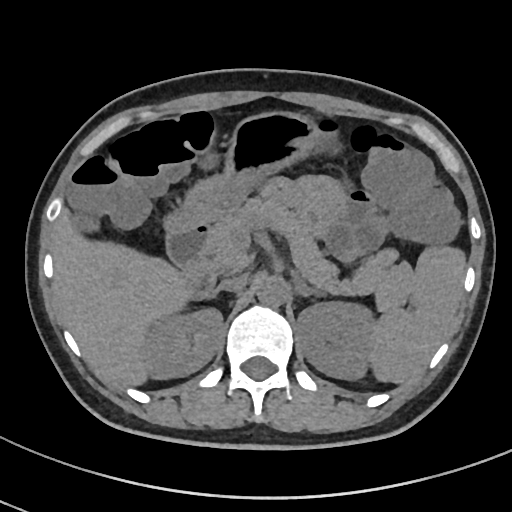 Computed tomography, abdomen — axial view — W/L 400/40 HU — 512x512 px — scan has 15 labeled organs (that count is for the whole scan; organs this slice misses have no box)
Boxes: x1 y1 x2 y2 (pixel coords, space-separated). The annotated organs in this slice are: spleen at 369 245 466 383, right kidney at 143 308 223 378, left kidney at 296 302 373 379, liver at 53 211 193 385, stomach at 164 111 322 231, aorta at 256 275 288 307, inferior vena cava at 213 275 247 292, pancreas at 208 197 412 311, right adrenal gland at 206 293 215 298, left adrenal gland at 293 275 323 298, duodenum at 166 221 215 296.